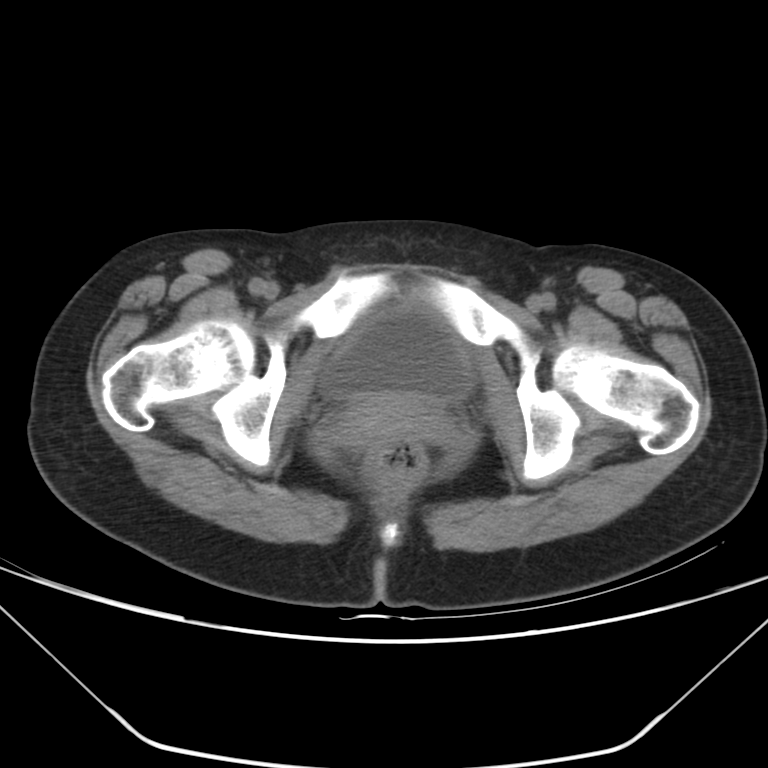

CT abdomen · axial view · 32-year-old female patient · Brilliance16 scanner
Each box given as x1,y1,x2,y2.
bladder: x1=320, y1=298, x2=474, y2=400
prostate/uterus: x1=343, y1=393, x2=439, y2=444